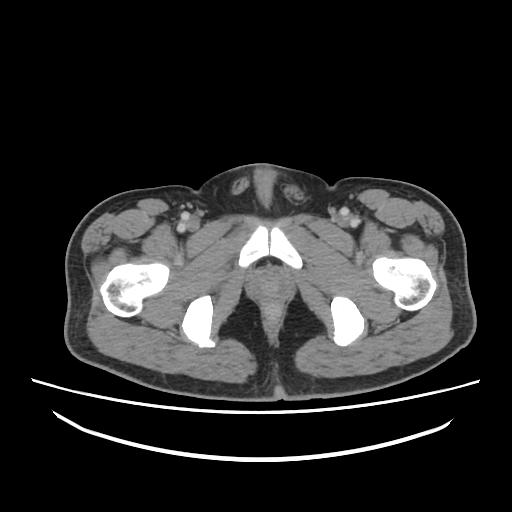

CT abdomen; axial plane, index 11; 512x512 px; 31-year-old male patient; 15 organs annotated in this scan (a whole-scan count: organs this slice does not pass through have no box)
Boxes: x1:y1:x2:y2 in pixels.
Organ bounding boxes:
- prostate/uterus: 253:273:286:300